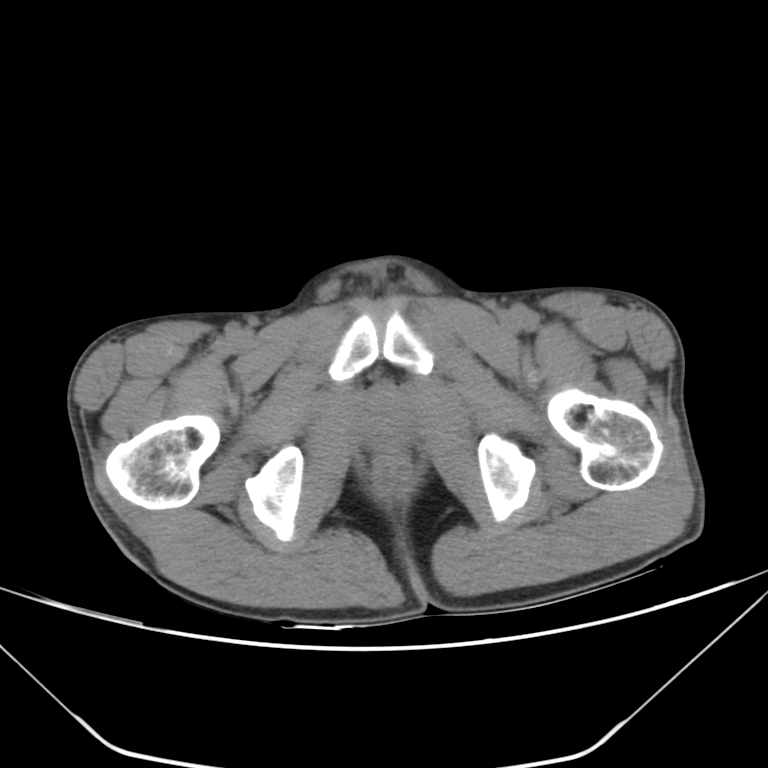
Abdominal CT. axial view. W/L 400/40 HU. scan has 15 labeled organs (a whole-scan count: organs this slice does not pass through have no box)
Boxes: x1 y1 x2 y2 (pixel coords, space-separated).
prostate/uterus: 359 394 413 447